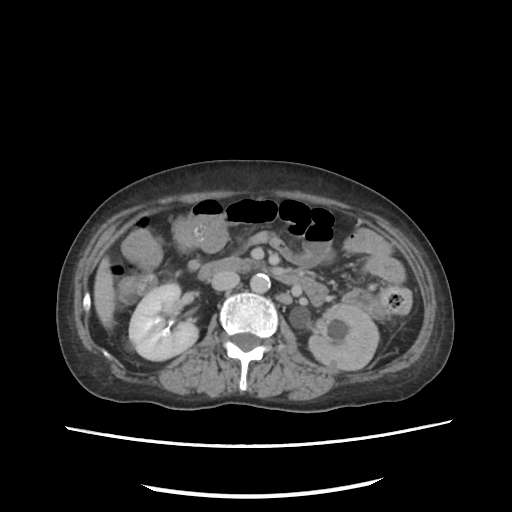
Abdominal CT · axial view
Boxes: x1:y1:x2:y2 in pixels.
Organ bounding boxes:
- right kidney: 129:283:198:360
- left kidney: 308:304:379:370
- liver: 94:257:114:328
- aorta: 250:273:270:293
- inferior vena cava: 211:271:239:290
- duodenum: 198:257:326:304